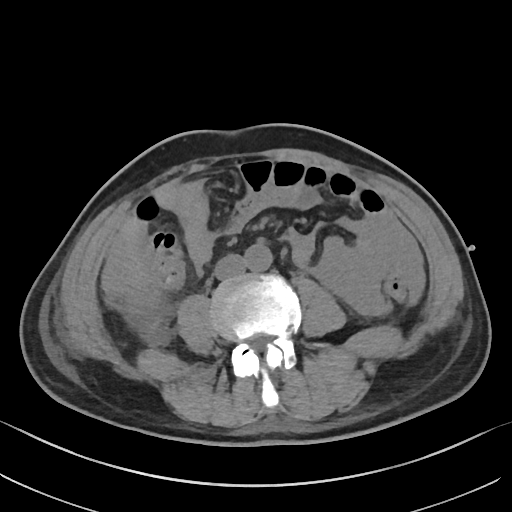
Computed tomography, abdomen; axial view; acquired on SOMATOM Force; 15 organs annotated in this scan (that count is for the whole scan; organs this slice misses have no box)
{"organs":{"aorta":[243,243,272,271],"inferior vena cava":[214,254,245,279]}}